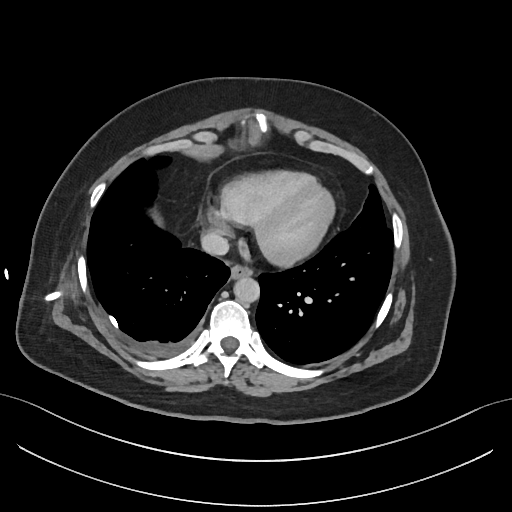 Abdominal CT; this slice is in the lower chest, just above the liver — Axial slice 211/305 — W/L 400/40 HU — SOMATOM Force scanner
No part of the heart or lungs is labeled in this dataset, so neither has a box here.
Organ boxes in pixel coordinates; each row gives the top-left (x1, y1) and bottom-right (x2, y2) corners.
| organ | x1 | y1 | x2 | y2 |
|---|---|---|---|---|
| esophagus | 230 | 266 | 251 | 280 |
| aorta | 234 | 278 | 260 | 303 |
| inferior vena cava | 201 | 231 | 228 | 255 |